CT, abdomen/pelvis. axial view
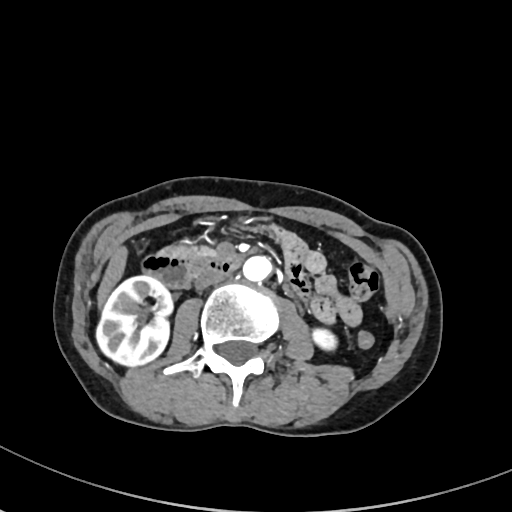
Bounding boxes in pixels, one row per box: x1, y1 is the top-left corner and x2, y2 the bottom-right.
| organ | x1 | y1 | x2 | y2 |
|---|---|---|---|---|
| right kidney | 97 | 275 | 174 | 365 |
| left kidney | 312 | 330 | 337 | 348 |
| liver | 99 | 247 | 125 | 308 |
| stomach | 232 | 215 | 241 | 224 |
| aorta | 241 | 256 | 274 | 282 |
| inferior vena cava | 195 | 272 | 226 | 289 |
| pancreas | 160 | 246 | 215 | 257 |
| duodenum | 141 | 254 | 240 | 288 |